Abdominal CT. axial view. 512x512 px. 59-year-old male patient. scan has 15 labeled organs (counted over the whole 3D scan, not this slice; an organ is boxed only where this slice passes through it)
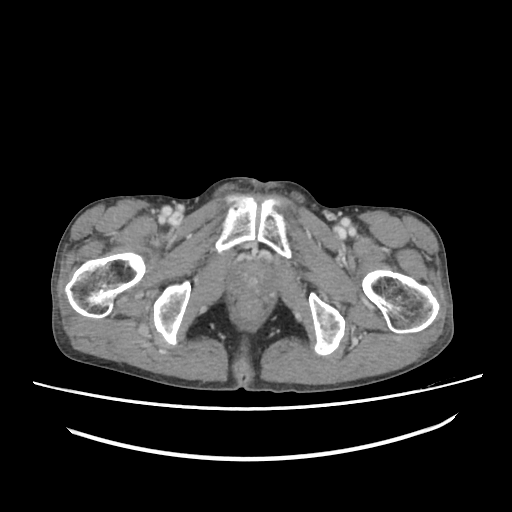 Organ boxes in pixel coordinates; each row gives the top-left (x1, y1) and bottom-right (x2, y2) corners.
| organ | x1 | y1 | x2 | y2 |
|---|---|---|---|---|
| prostate/uterus | 231 | 260 | 275 | 297 |